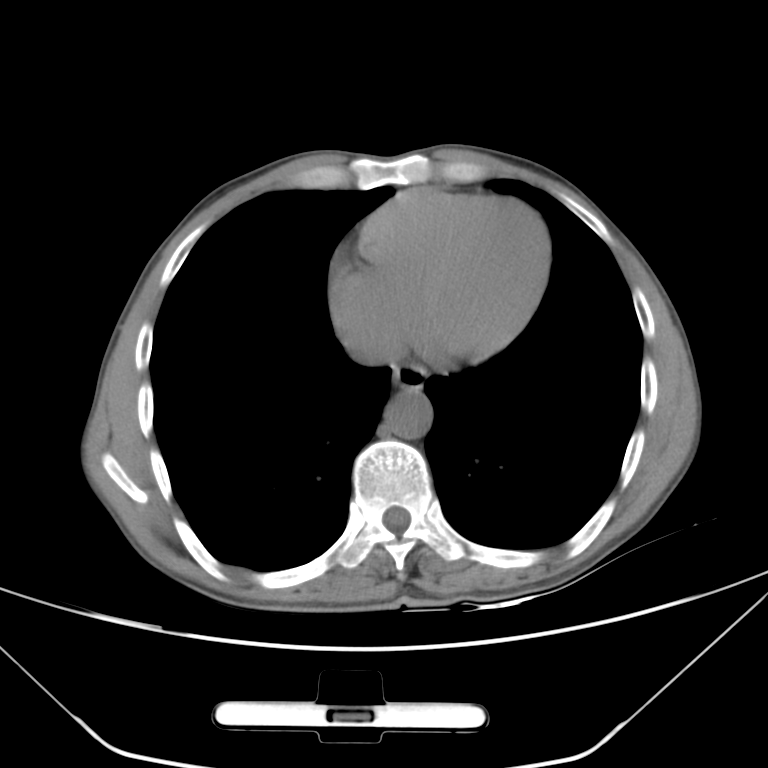

CT of the abdomen reaching into the lower chest, slice just above the liver and spleen — axial view — soft-tissue window, W/L 400/40
Of the structures in the chest, this dataset labels only the esophagus, the aorta and the inferior vena cava; the heart and lungs have no label.
<organs><organ name="esophagus" x1="392" y1="364" x2="425" y2="391"/><organ name="aorta" x1="384" y1="391" x2="432" y2="438"/><organ name="inferior vena cava" x1="342" y1="327" x2="400" y2="365"/></organs>